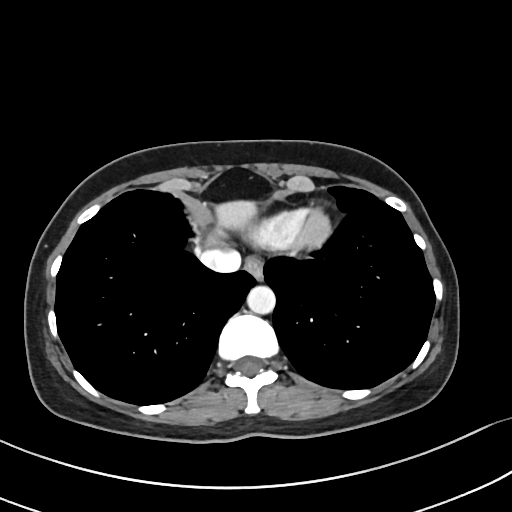 Computed tomography, abdomen — axial plane, index 171 — 512x512 px — scan has 15 labeled organs (that count is for the whole scan; organs this slice misses have no box)
One row per box, in pixels: columns x1 and y1 give the top-left corner, x2 and y2 the bottom-right.
| organ | x1 | y1 | x2 | y2 |
|---|---|---|---|---|
| esophagus | 244 | 256 | 262 | 279 |
| liver | 215 | 200 | 256 | 228 |
| aorta | 246 | 285 | 275 | 313 |
| inferior vena cava | 200 | 249 | 240 | 272 |